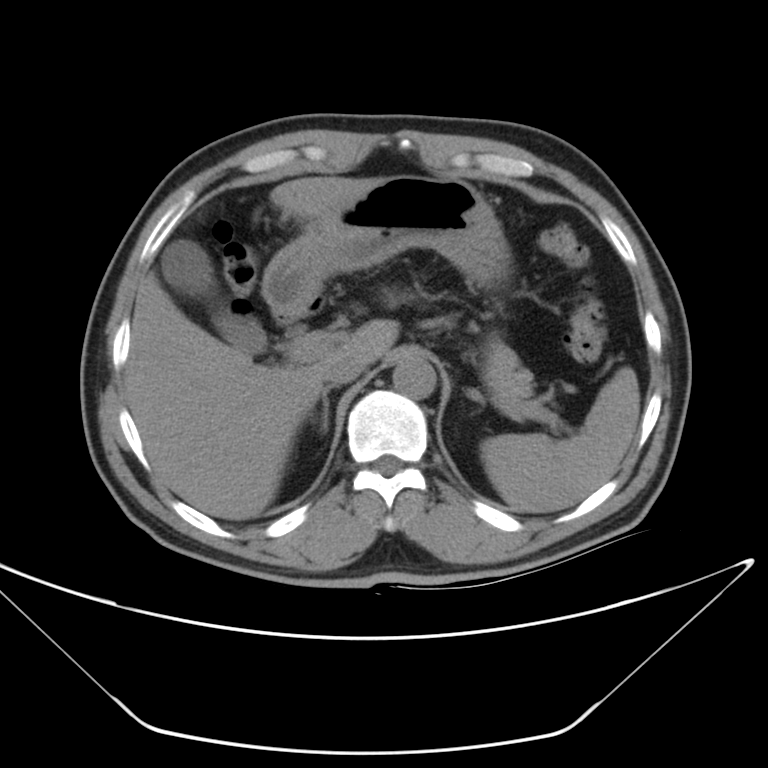
CT, abdomen/pelvis. axial view. soft-tissue window. 768x768 px. 45-year-old male patient. acquired on Brilliance16
Coordinates as <box>x1,y1,x2,y2</box> in pixels. Labeled organs on this slice: spleen at <box>480,368,639,512</box>, gall bladder at <box>161,240,267,351</box>, liver at <box>121,177,396,520</box>, stomach at <box>261,174,504,313</box>, aorta at <box>392,351,436,398</box>, inferior vena cava at <box>321,354,368,384</box>, inferior vena cava at <box>315,345,341,364</box>, pancreas at <box>482,341,533,396</box>, right adrenal gland at <box>321,388,331,429</box>, duodenum at <box>277,306,303,324</box>.